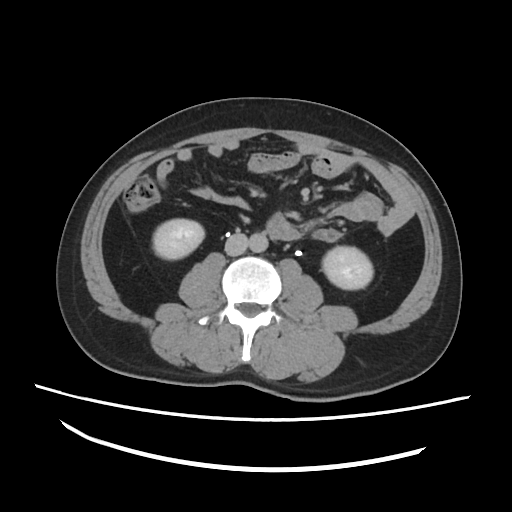

CT, abdomen/pelvis — axial view — 512x512 px — scan has 15 labeled organs (counted over the whole 3D scan, not this slice; an organ is boxed only where this slice passes through it)
{"organs":{"inferior vena cava":[224,232,248,254],"right kidney":[153,219,204,258],"left kidney":[322,246,373,289],"aorta":[247,233,267,251]}}